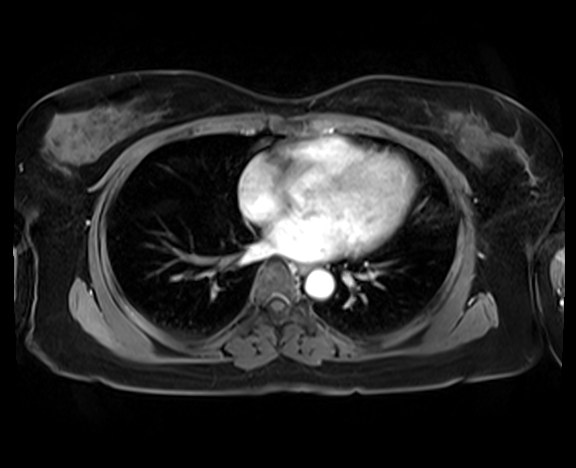
Abdominal MRI; this slice is in the lower chest, just above the liver; Axial slice 71/72; Prisma scanner; 13 organs annotated in this scan (that count is for the whole scan; organs this slice misses have no box)
The heart and lungs are never labeled in this dataset, so they have no box on this slice.
<organs><organ name="esophagus" x1="295" y1="263" x2="309" y2="274"/><organ name="aorta" x1="305" y1="270" x2="334" y2="298"/></organs>